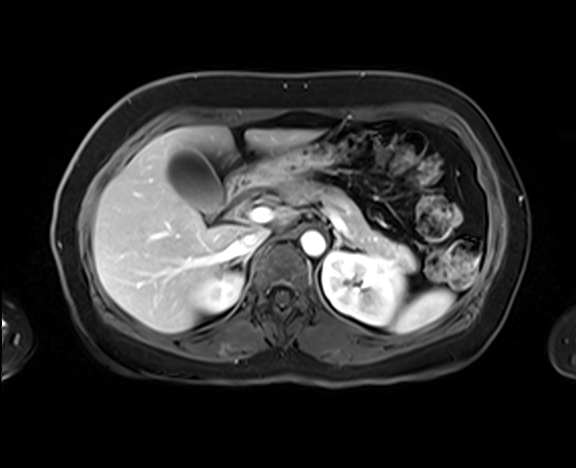

Abdominal MR — axial view — 576x468 px
Boxes: x1:y1:x2:y2 in pixels.
spleen: 390:289:453:333
right kidney: 192:271:243:313
left kidney: 322:251:405:325
gall bladder: 167:148:223:214
liver: 93:126:319:332
stomach: 236:135:349:188
aorta: 300:231:325:256
inferior vena cava: 227:228:269:258
pancreas: 284:180:416:271
right adrenal gland: 230:254:249:270
left adrenal gland: 334:234:354:248
duodenum: 228:174:250:201